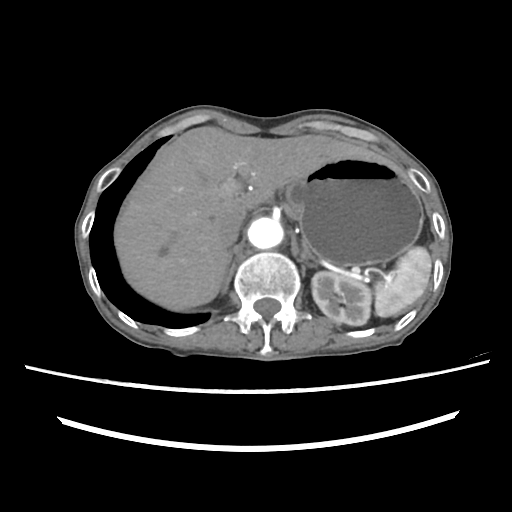

CT, abdomen/pelvis. axial view
{"organs":{"spleen":[375,247,431,317],"left kidney":[311,271,371,325],"liver":[114,126,400,310],"stomach":[285,159,423,266],"aorta":[248,218,283,249],"inferior vena cava":[218,213,244,245],"right adrenal gland":[224,254,231,278],"left adrenal gland":[301,242,319,264]}}